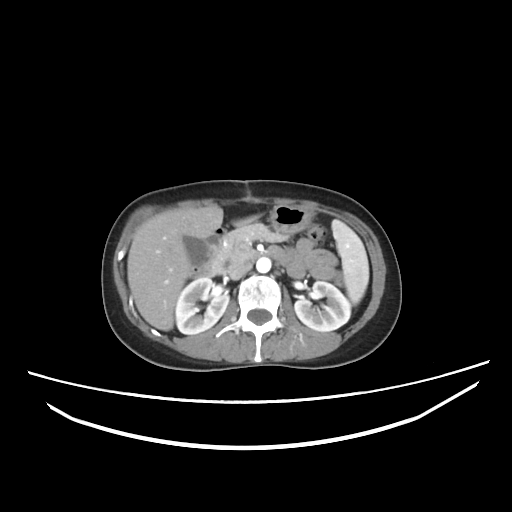

Computed tomography, abdomen. Axial slice 51/114. W/L 400/40 HU
Bounding boxes in pixels, one row per box: x1, y1 is the top-left corner and x2, y2 the bottom-right.
| organ | x1 | y1 | x2 | y2 |
|---|---|---|---|---|
| liver | 127 | 205 | 257 | 330 |
| right kidney | 175 | 277 | 228 | 334 |
| stomach | 224 | 205 | 312 | 235 |
| inferior vena cava | 227 | 262 | 251 | 279 |
| spleen | 332 | 220 | 369 | 304 |
| pancreas | 213 | 223 | 286 | 272 |
| aorta | 256 | 257 | 271 | 272 |
| gall bladder | 183 | 236 | 206 | 260 |
| left kidney | 294 | 281 | 350 | 331 |
| duodenum | 191 | 226 | 269 | 276 |